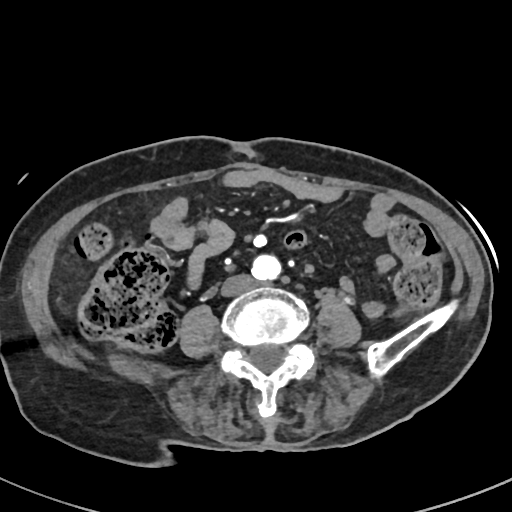
Abdominal CT. axial view. 512x512 px. SOMATOM Force scanner
Coordinates as <box>x1,y1,x2,y2</box> in pixels.
aorta: <box>251,256,282,280</box>
inferior vena cava: <box>221,275,253,296</box>